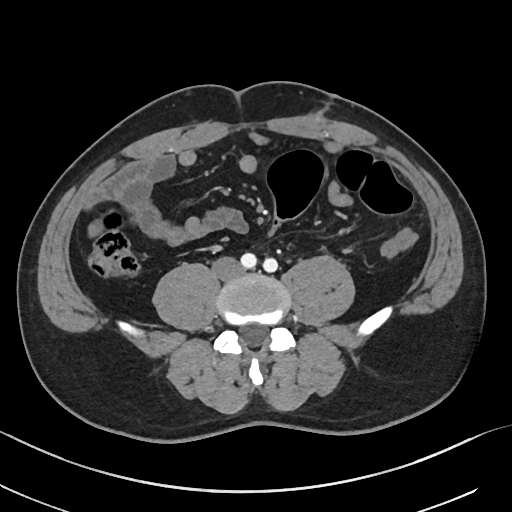
CT, abdomen/pelvis · axial plane, index 106
{"organs":{"inferior vena cava":[212,257,243,279]}}